CT, abdomen/pelvis. axial view
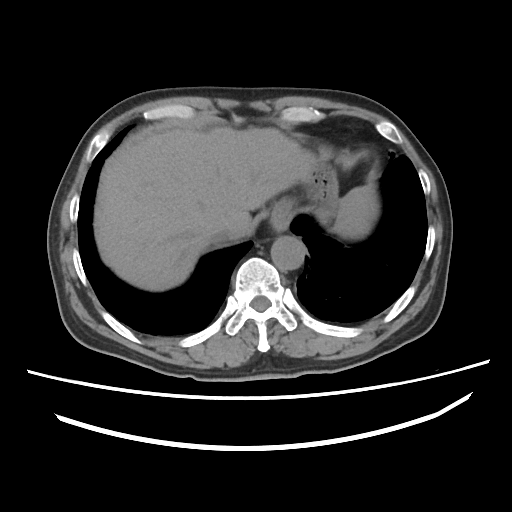 Organ boxes in pixel coordinates; each row gives the top-left (x1, y1) and bottom-right (x2, y2) corners.
| organ | x1 | y1 | x2 | y2 |
|---|---|---|---|---|
| aorta | 271 | 236 | 305 | 270 |
| esophagus | 271 | 201 | 290 | 229 |
| stomach | 280 | 160 | 338 | 217 |
| spleen | 333 | 185 | 378 | 238 |
| inferior vena cava | 209 | 229 | 232 | 244 |
| liver | 93 | 127 | 316 | 291 |